CT, abdomen/pelvis. Axial slice 84/91. 83-year-old male patient
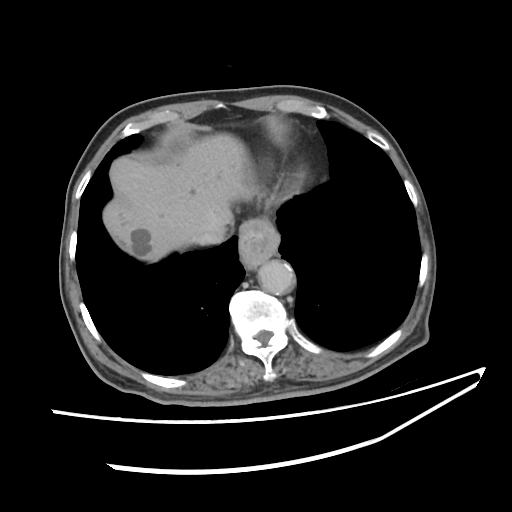 Each box given as x1,y1,x2,y2.
esophagus: x1=239, y1=217, x2=280, y2=270
liver: x1=103, y1=133, x2=254, y2=262
aorta: x1=258, y1=259, x2=296, y2=295
inferior vena cava: x1=195, y1=219, x2=233, y2=245